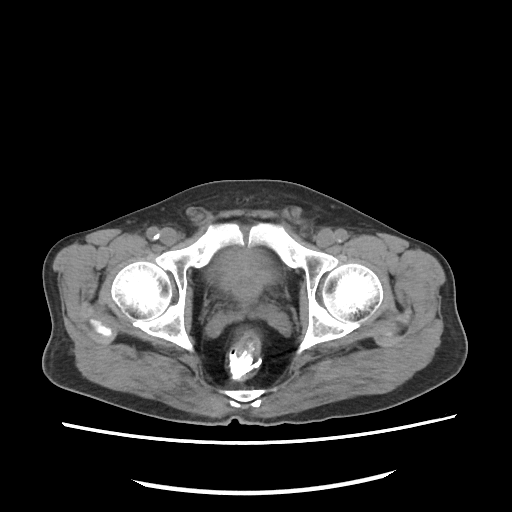
CT abdomen; Axial slice 15/78
One row per box, in pixels: columns x1 and y1 give the top-left corner, x2 and y2 the bottom-right.
| organ | x1 | y1 | x2 | y2 |
|---|---|---|---|---|
| bladder | 209 | 250 | 277 | 288 |
| prostate/uterus | 227 | 271 | 265 | 304 |